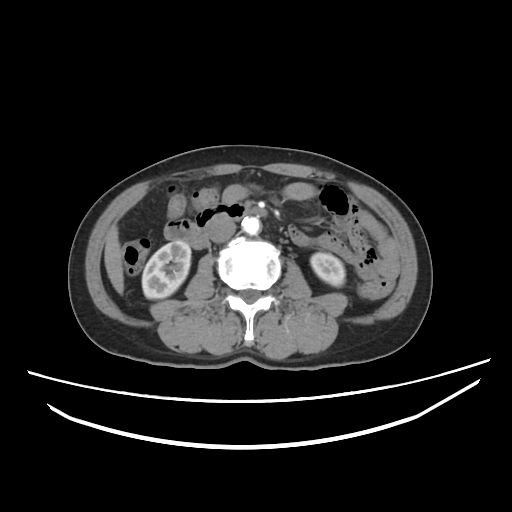 Abdominal CT · axial view · abdomen soft-tissue window
{"organs":{"right kidney":[142,241,190,298],"left kidney":[310,252,344,286],"liver":[104,226,124,294],"aorta":[242,217,260,234],"inferior vena cava":[208,217,236,242],"duodenum":[164,203,253,248]}}